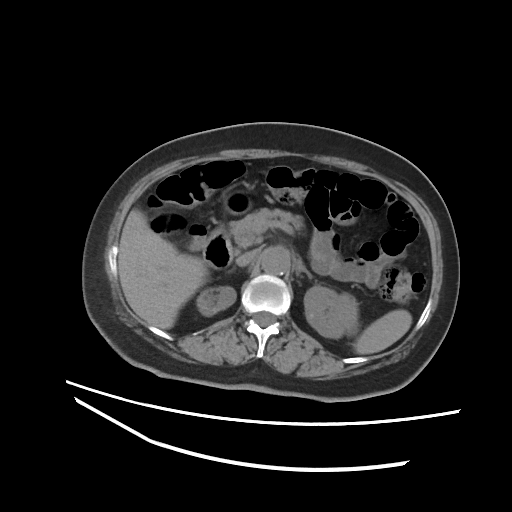
CT, abdomen/pelvis; axial view; soft-tissue window (W 400 / L 40); 57-year-old female patient
Boxes are (x1, y1, x2, y2) in pixels.
spleen: (353, 309, 411, 354)
right kidney: (196, 286, 235, 316)
left kidney: (304, 286, 356, 338)
liver: (118, 209, 207, 329)
stomach: (224, 189, 251, 213)
aorta: (261, 247, 289, 274)
inferior vena cava: (236, 249, 258, 266)
pancreas: (230, 208, 303, 247)
right adrenal gland: (229, 268, 234, 271)
left adrenal gland: (296, 259, 312, 278)
duodenum: (203, 228, 233, 268)